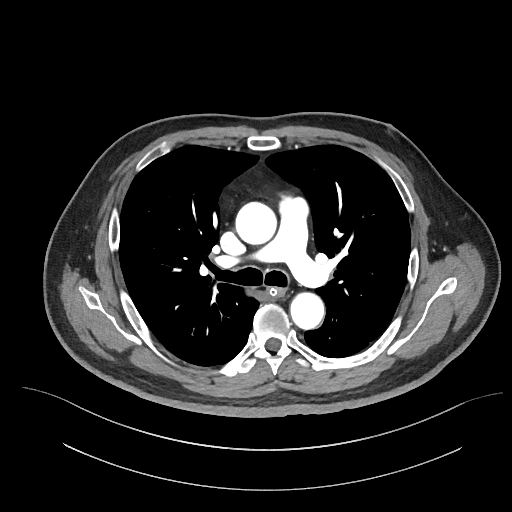
Chest-level slice from an abdominal CT that extends up into the chest · axial view · scan has 15 labeled organs (that count is for the whole scan; organs this slice misses have no box)
On a slice this high in the chest, this dataset labels only the esophagus and the aorta, and each is boxed only where it is labeled; the heart, lungs and other chest structures are not labeled.
Coordinates as <box>x1,y1,x2,y2</box> in pixels.
esophagus: <box>269,288,285,296</box>
aorta: <box>235,202,277,245</box>
aorta: <box>290,290,324,329</box>